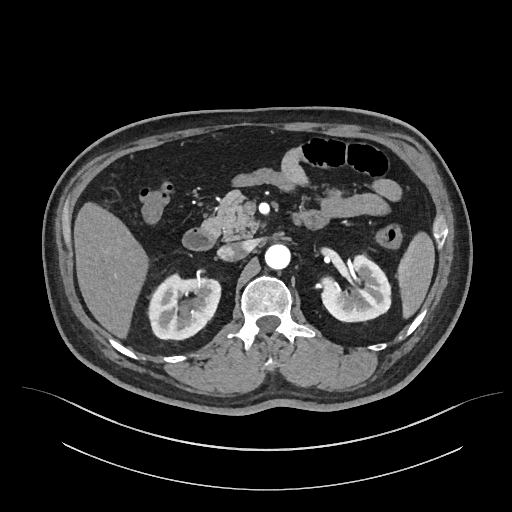 Abdominal CT; axial view; acquired on SOMATOM Force; scan has 15 labeled organs (counted over the whole 3D scan, not this slice; an organ is boxed only where this slice passes through it)
Organ boxes in pixel coordinates; each row gives the top-left (x1, y1) and bottom-right (x2, y2) corners.
| organ | x1 | y1 | x2 | y2 |
|---|---|---|---|---|
| spleen | 396 | 232 | 434 | 318 |
| right kidney | 148 | 274 | 220 | 339 |
| left kidney | 321 | 255 | 390 | 321 |
| liver | 74 | 202 | 148 | 338 |
| aorta | 265 | 244 | 290 | 269 |
| inferior vena cava | 217 | 242 | 248 | 261 |
| pancreas | 202 | 190 | 259 | 240 |
| duodenum | 182 | 227 | 217 | 250 |